Abdominal CT reaching into the chest; this slice is in the chest — axial plane, index 249 — W/L 400/40 HU — 512x512 px — 15 organs annotated in this scan (a whole-scan count: organs this slice does not pass through have no box)
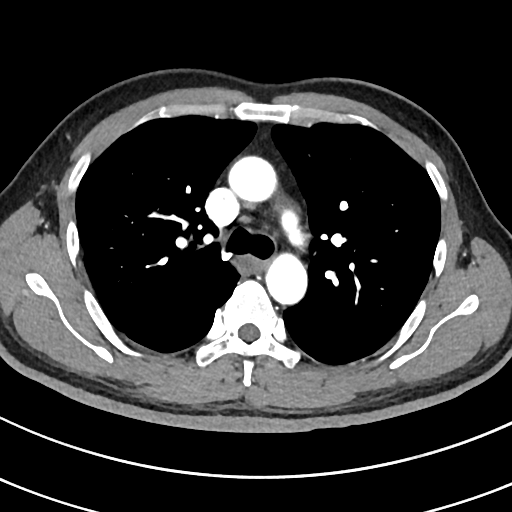

At this level of the chest this dataset labels only the esophagus and the aorta, and each is boxed only where it is labeled; the heart and lungs are never labeled.
Boxes: x1 y1 x2 y2 (pixel coords, space-separated).
esophagus: 241 257 265 272
aorta: 227 155 275 200
aorta: 266 254 307 305